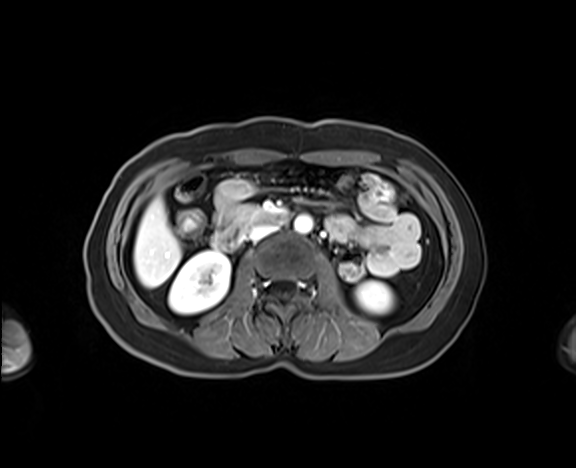
Abdominal MR · axial view · 576x468 px · scan has 13 labeled organs (counted over the whole 3D scan, not this slice; an organ is boxed only where this slice passes through it)
{"organs":{"right kidney":[169,251,230,313],"left kidney":[356,281,393,313],"liver":[134,198,180,287],"aorta":[294,215,313,233],"inferior vena cava":[249,224,276,240],"pancreas":[232,205,263,224],"duodenum":[212,211,287,250]}}